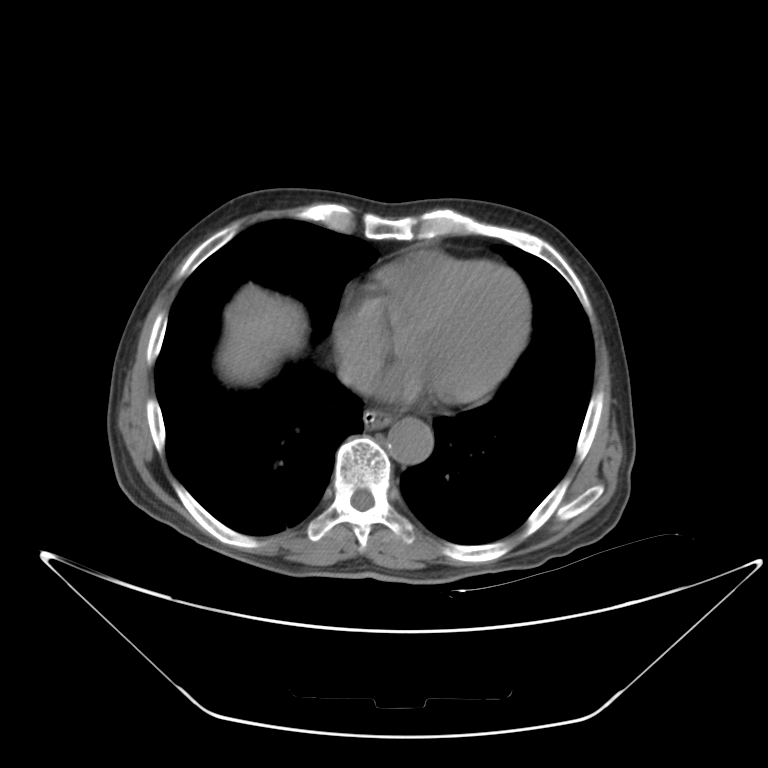

Computed tomography, abdomen — axial view — 64-year-old male patient — 15 organs annotated in this scan (a whole-scan count: organs this slice does not pass through have no box)
Each box given as x1,y1,x2,y2. 4 labeled organs on this slice — esophagus at x1=363, y1=409, x2=392, y2=428; liver at x1=222, y1=284, x2=304, y2=380; aorta at x1=387, y1=417, x2=433, y2=464; inferior vena cava at x1=340, y1=356, x2=377, y2=384.